CT, abdomen/pelvis — axial view — abdomen soft-tissue window
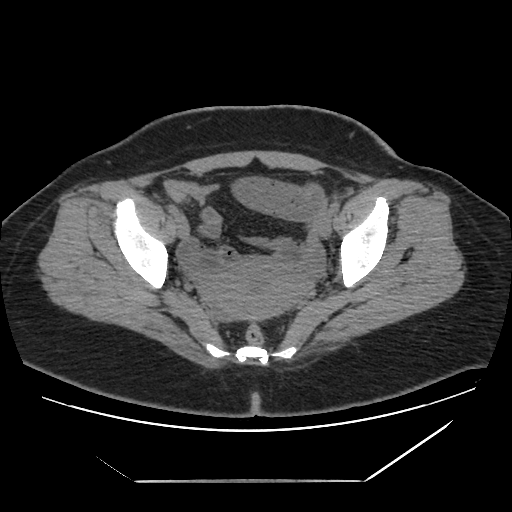 Organ boxes in pixel coordinates; each row gives the top-left (x1, y1) and bottom-right (x2, y2) corners.
| organ | x1 | y1 | x2 | y2 |
|---|---|---|---|---|
| prostate/uterus | 202 | 258 | 306 | 321 |